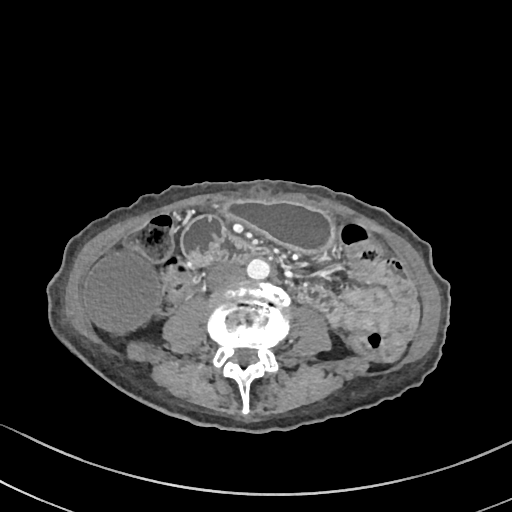
Abdominal CT. axial view
{"organs":{"duodenum":[181,216,270,264],"inferior vena cava":[208,265,244,290],"gall bladder":[83,254,161,330],"aorta":[246,259,269,279],"stomach":[223,201,334,254]}}